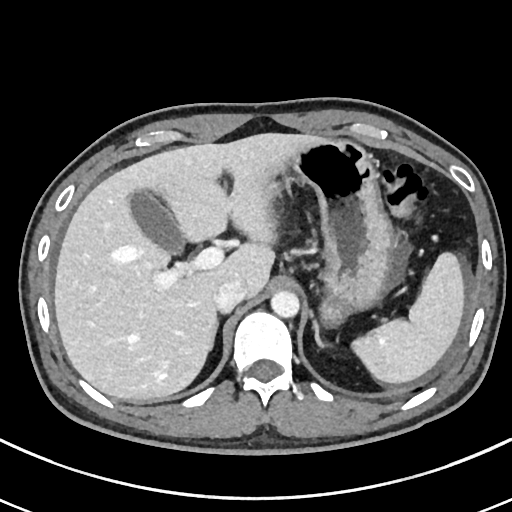
CT abdomen — axial view — W/L 400/40 HU — scan has 15 labeled organs (a whole-scan count: organs this slice does not pass through have no box)
Boxes are (x1, y1, x2, y2) in pixels.
Organ bounding boxes:
- spleen: (351, 251, 465, 384)
- left adrenal gland: (313, 316, 327, 349)
- inferior vena cava: (212, 277, 245, 311)
- right adrenal gland: (206, 317, 220, 351)
- aorta: (271, 290, 299, 317)
- stomach: (269, 139, 393, 325)
- liver: (54, 133, 319, 401)
- gall bladder: (127, 188, 186, 256)